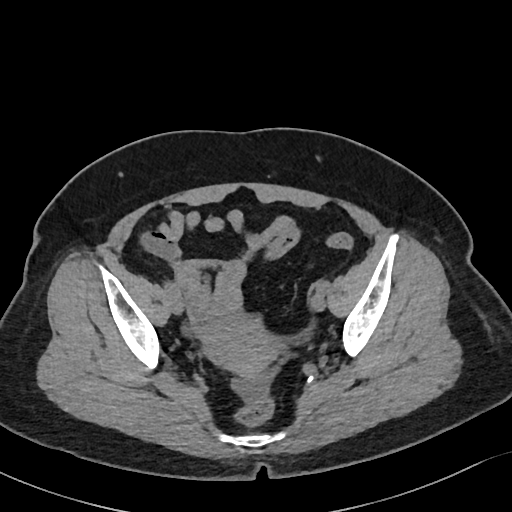

Abdominal CT. axial plane, index 38. 512x512 px. 15 organs annotated in this scan (that count is for the whole scan; organs this slice misses have no box)
Boxes: x1:y1:x2:y2 in pixels.
Organ bounding boxes:
- prostate/uterus: 200:315:275:377